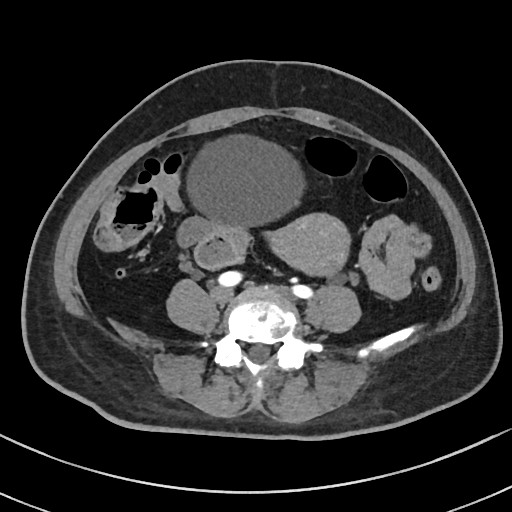

Computed tomography, abdomen · Axial slice 83/191 · abdomen soft-tissue window · acquired on SOMATOM Force
Boxes are (x1, y1, x2, y2) in pixels.
bladder: (188, 133, 306, 227)
prostate/uterus: (266, 212, 349, 277)